CT, abdomen/pelvis. Axial slice 181/202
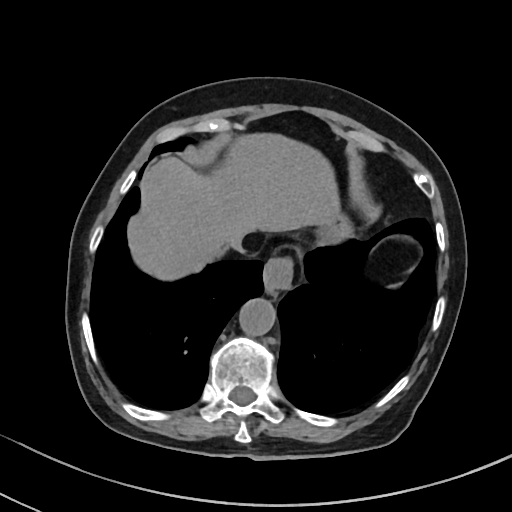

Each box given as x1,y1,x2,y2.
Organ bounding boxes:
- esophagus: x1=263, y1=258, x2=292, y2=294
- liver: x1=128, y1=133, x2=339, y2=280
- stomach: x1=317, y1=214, x2=352, y2=245
- aorta: x1=239, y1=298, x2=276, y2=336
- inferior vena cava: x1=229, y1=234, x2=245, y2=252